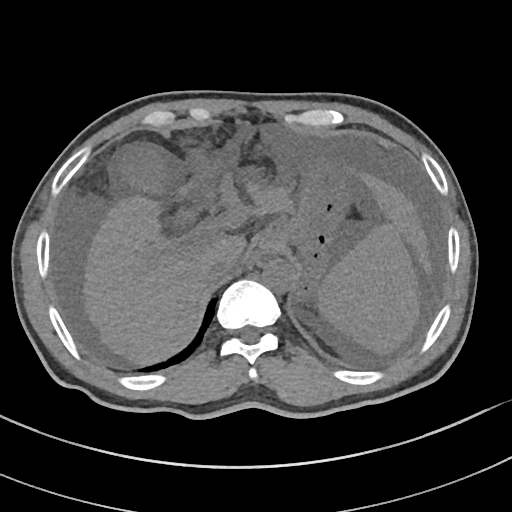

Computed tomography, abdomen · axial view · W/L 400/40 HU
Boxes: x1 y1 x2 y2 (pixel coords, space-separated). Labeled organs on this slice: spleen at 318 222 419 354, gall bladder at 122 149 164 191, liver at 82 175 431 364, stomach at 257 156 360 297, aorta at 262 259 296 292, inferior vena cava at 205 253 237 281.